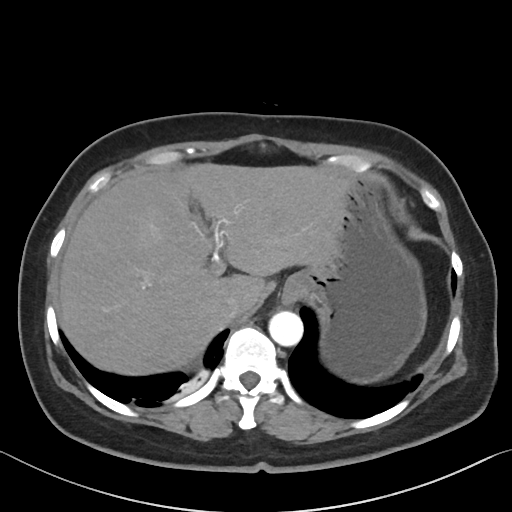

Computed tomography, abdomen · Axial slice 73/88 · 512x512 px
Organ boxes in pixel coordinates; each row gives the top-left (x1, y1) and bottom-right (x2, y2) corners.
| organ | x1 | y1 | x2 | y2 |
|---|---|---|---|---|
| esophagus | 282 | 289 | 294 | 303 |
| liver | 58 | 163 | 346 | 375 |
| stomach | 284 | 175 | 427 | 383 |
| aorta | 269 | 311 | 303 | 346 |
| inferior vena cava | 217 | 293 | 244 | 320 |